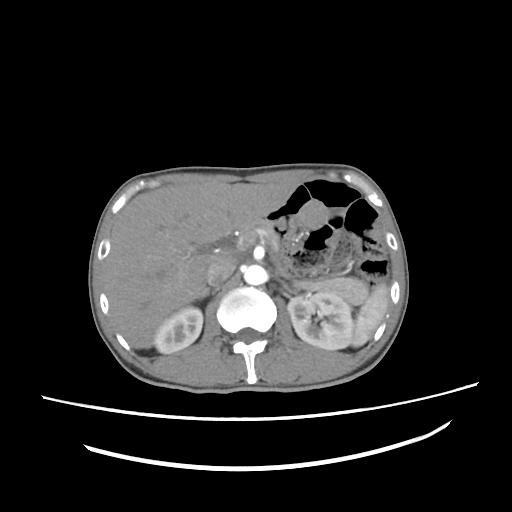
CT, abdomen/pelvis · axial view · 512x512 px · 50-year-old male patient
Boxes: x1:y1:x2:y2 in pixels. 8 labeled organs on this slice — spleen at 351:283:388:346; right kidney at 153:307:203:353; left kidney at 287:293:353:349; liver at 104:181:296:348; aorta at 244:265:266:285; inferior vena cava at 206:256:235:285; pancreas at 240:220:368:304; right adrenal gland at 196:288:209:300.